CT of the abdomen reaching into the lower chest, slice just above the liver and spleen — axial view — 55-year-old male patient
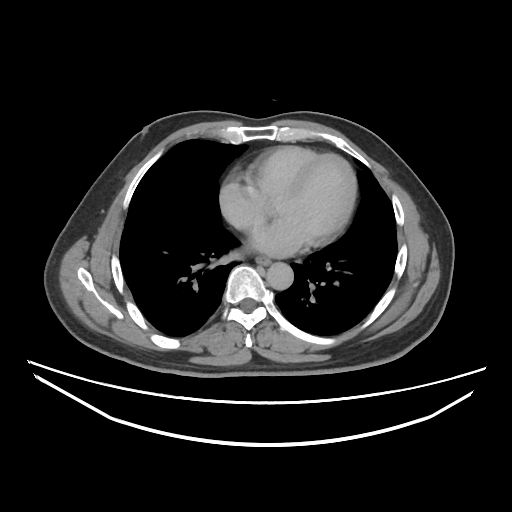

No part of the heart or lungs is labeled in this dataset, so neither has a box here.
Bounding boxes in pixels, one row per box: x1, y1 is the top-left corner and x2, y2 the bottom-right.
| organ | x1 | y1 | x2 | y2 |
|---|---|---|---|---|
| esophagus | 257 | 255 | 271 | 264 |
| aorta | 268 | 261 | 293 | 290 |